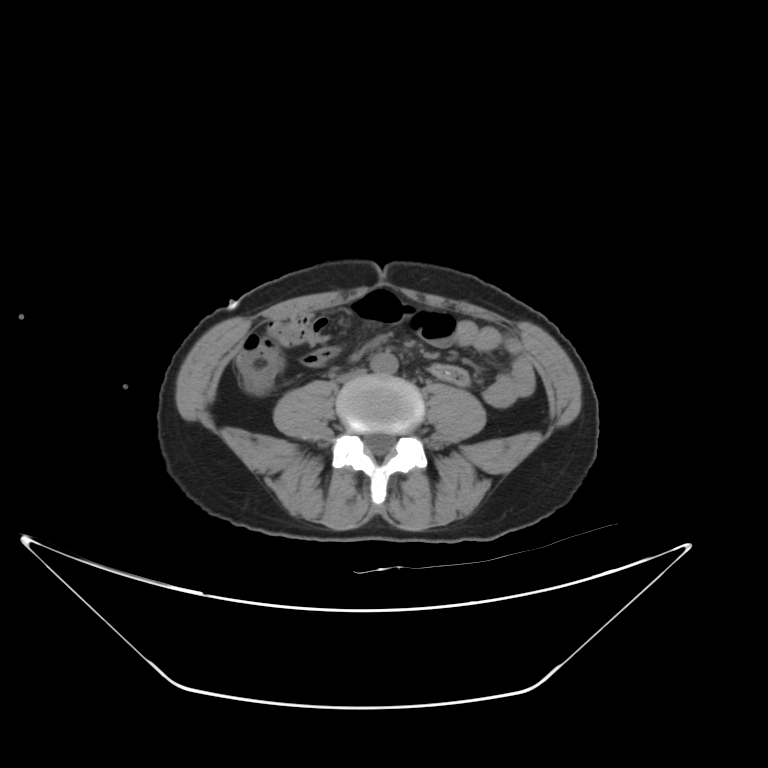
Computed tomography, abdomen — axial view — 768x768 px — 43-year-old female patient
Each box given as x1,y1,x2,y2. The annotated organs in this slice are: aorta at x1=370, y1=353, x2=398, y2=374, inferior vena cava at x1=336, y1=368, x2=365, y2=383.